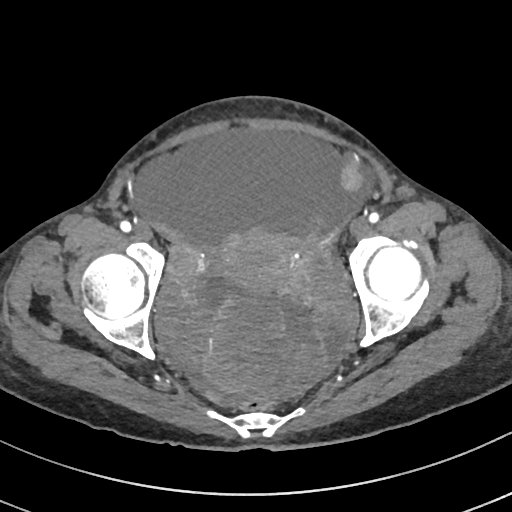
Computed tomography, abdomen — Axial slice 35/237 — 512x512 px — 15 organs annotated in this scan (that count is for the whole scan; organs this slice misses have no box)
Each box given as x1,y1,x2,y2. Labeled organs on this slice: prostate/uterus at x1=220, y1=228, x2=290, y2=293.